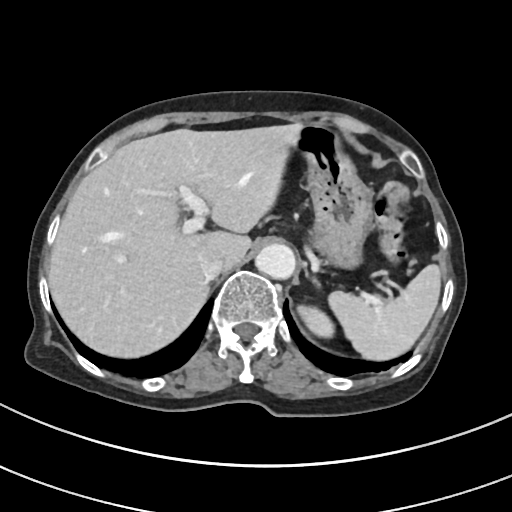

Computed tomography, abdomen. axial view. 512x512 px. SOMATOM Force scanner. scan has 15 labeled organs (counted over the whole 3D scan, not this slice; an organ is boxed only where this slice passes through it)
Boxes are (x1, y1, x2, y2) in pixels.
Organ bounding boxes:
- spleen: (330, 265, 439, 359)
- left kidney: (296, 305, 333, 338)
- liver: (48, 125, 302, 355)
- stomach: (297, 123, 372, 265)
- aorta: (256, 245, 296, 280)
- inferior vena cava: (202, 257, 226, 279)
- left adrenal gland: (312, 279, 320, 286)